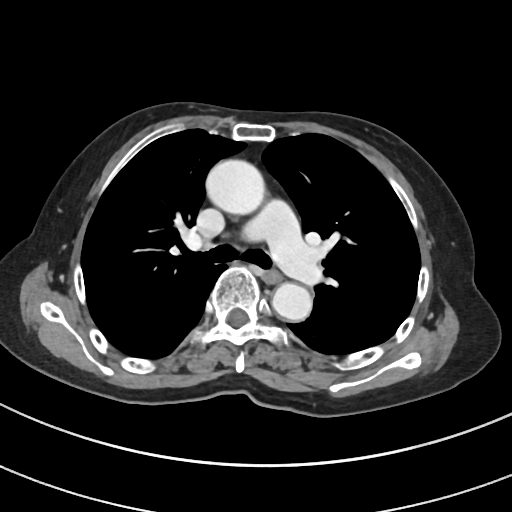
Chest-level slice from an abdominal CT that extends up into the chest; axial plane, index 234
At this level of the chest no structure but the esophagus and the aorta has a label in this dataset, and those two are boxed only where they are labeled.
<organs><organ name="aorta" x1="206" y1="160" x2="266" y2="215"/><organ name="aorta" x1="272" y1="282" x2="312" y2="321"/><organ name="esophagus" x1="264" y1="267" x2="280" y2="282"/></organs>